Magnetic resonance imaging, abdomen; axial plane, index 30; percentile-normalized
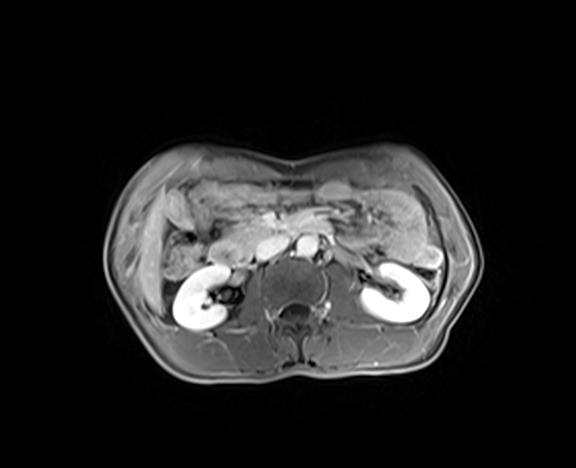 Box edges are left/top/right/bottom in pixels.
inferior vena cava: left=254, top=235, right=289, bottom=260
right kidney: left=172, top=264, right=230, bottom=329
duodenum: left=209, top=214, right=326, bottom=265
pancreas: left=225, top=215, right=284, bottom=254
aorta: left=297, top=235, right=318, bottom=256
left kidney: left=360, top=263, right=429, bottom=322
liver: left=137, top=194, right=165, bottom=311